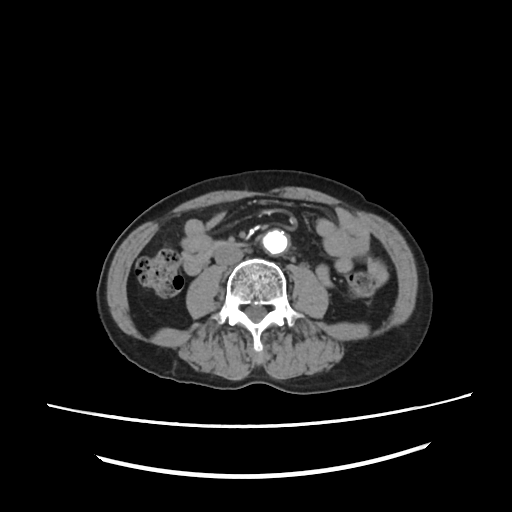 CT abdomen; Axial slice 53/132; 512x512 px; 67-year-old male patient
One row per box, in pixels: columns x1 and y1 give the top-left corner, x2 and y2 the bottom-right.
| organ | x1 | y1 | x2 | y2 |
|---|---|---|---|---|
| aorta | 262 | 229 | 286 | 253 |
| duodenum | 184 | 240 | 228 | 276 |
| inferior vena cava | 214 | 244 | 244 | 266 |